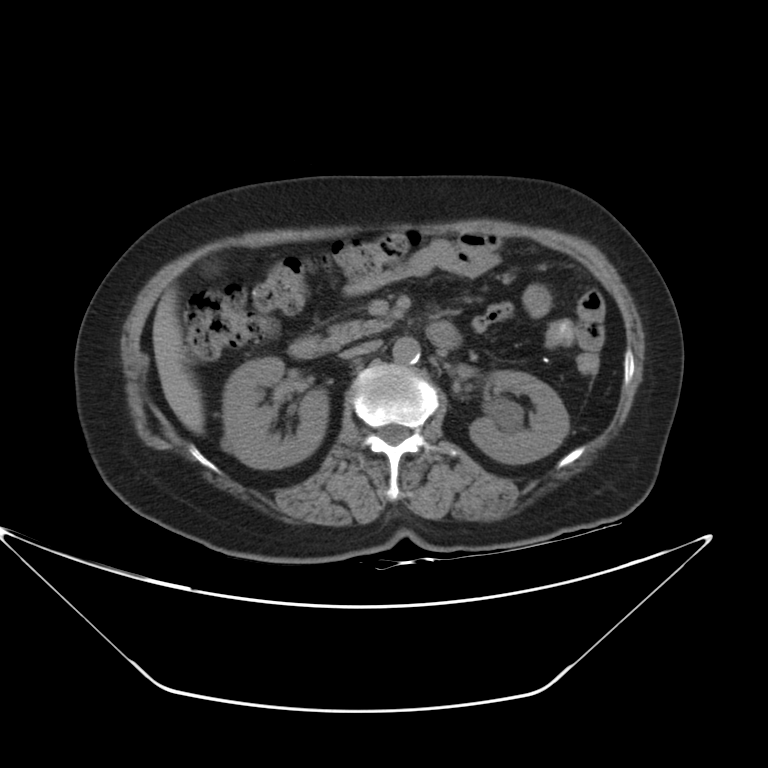
Abdominal CT — Axial slice 61/97 — abdomen soft-tissue window — acquired on Brilliance16
Box edges are left/top/right/bottom in pixels.
Organ bounding boxes:
- pancreas: left=326, top=319, right=391, bottom=348
- inferior vena cava: left=341, top=340, right=380, bottom=359
- duodenum: left=288, top=321, right=461, bottom=359
- left kidney: left=470, top=371, right=569, bottom=464
- right kidney: left=222, top=357, right=328, bottom=468
- liver: left=152, top=288, right=204, bottom=433
- aorta: left=392, top=337, right=419, bottom=364